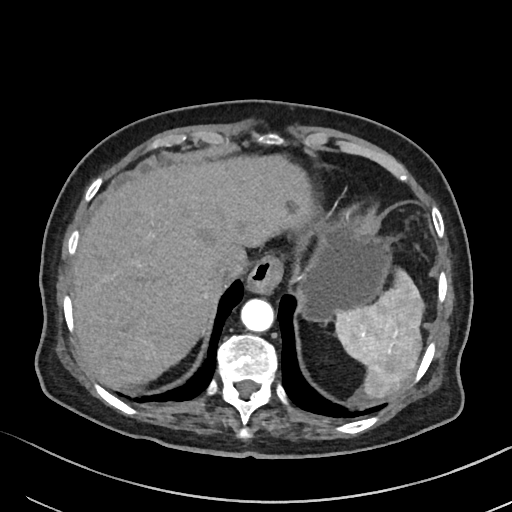 Abdominal CT — axial view — abdomen soft-tissue window
Boxes: x1 y1 x2 y2 (pixel coords, space-separated).
Organ bounding boxes:
- liver: 71 155 312 387
- esophagus: 247 255 282 291
- spleen: 335 270 423 402
- aorta: 240 298 273 331
- inferior vena cava: 213 258 244 281
- stomach: 296 222 388 323